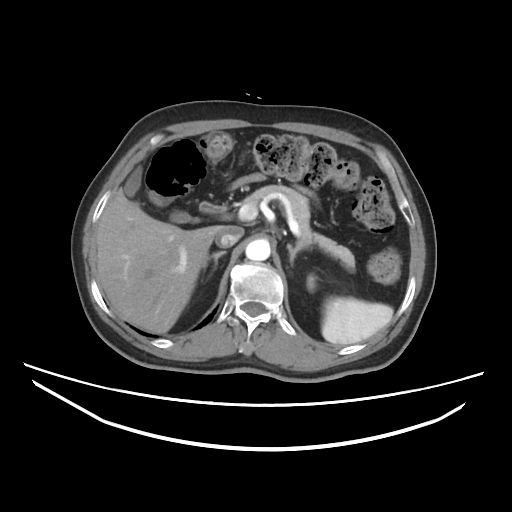
Abdominal CT. axial view. soft-tissue window. 58-year-old male patient
Bounding boxes as [x1, y1, x2, y2] in pixel coordinates.
Organ bounding boxes:
- spleen: [322, 297, 393, 345]
- left kidney: [307, 274, 316, 291]
- gall bladder: [123, 167, 190, 222]
- liver: [96, 189, 221, 333]
- aorta: [245, 239, 270, 261]
- inferior vena cava: [215, 225, 243, 247]
- pancreas: [243, 185, 355, 272]
- right adrenal gland: [201, 250, 226, 270]
- left adrenal gland: [287, 243, 308, 265]
- duodenum: [199, 202, 223, 212]